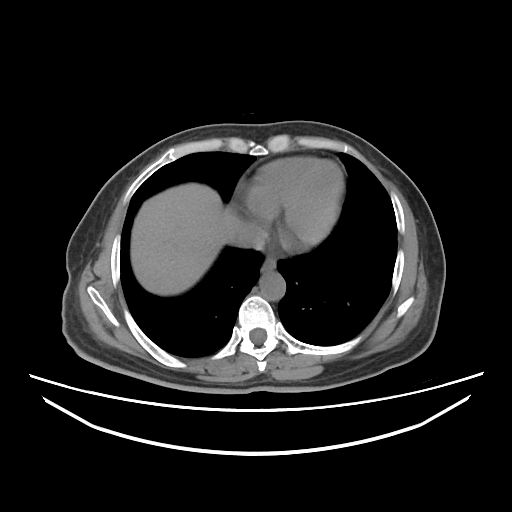
CT abdomen · axial view · abdomen soft-tissue window · 49-year-old female patient
Boxes: x1 y1 x2 y2 (pixel coords, space-separated).
Organ bounding boxes:
- esophagus: 261 256 276 272
- liver: 130 183 241 295
- aorta: 259 271 285 300
- inferior vena cava: 236 225 266 249